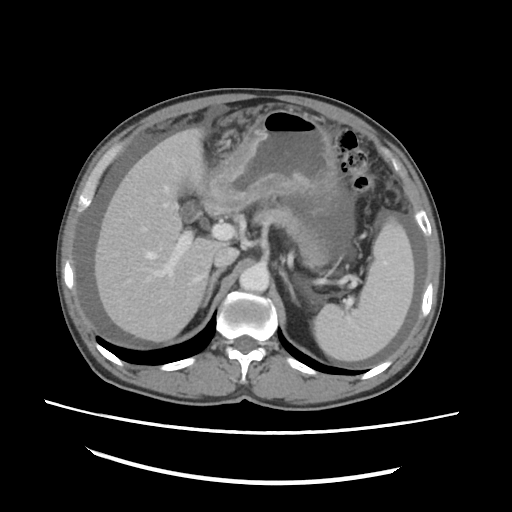

CT, abdomen/pelvis. Axial slice 58/112. 512x512 px. 61-year-old male patient. 15 organs annotated in this scan (that count is for the whole scan; organs this slice misses have no box)
<organs><organ name="spleen" x1="313" y1="218" x2="414" y2="361"/><organ name="gall bladder" x1="181" y1="187" x2="195" y2="220"/><organ name="liver" x1="94" y1="128" x2="226" y2="342"/><organ name="stomach" x1="201" y1="110" x2="344" y2="218"/><organ name="aorta" x1="239" y1="264" x2="269" y2="292"/><organ name="inferior vena cava" x1="213" y1="246" x2="238" y2="267"/><organ name="pancreas" x1="254" y1="207" x2="327" y2="266"/><organ name="right adrenal gland" x1="202" y1="268" x2="224" y2="307"/><organ name="left adrenal gland" x1="279" y1="269" x2="298" y2="304"/><organ name="duodenum" x1="205" y1="206" x2="223" y2="214"/></organs>